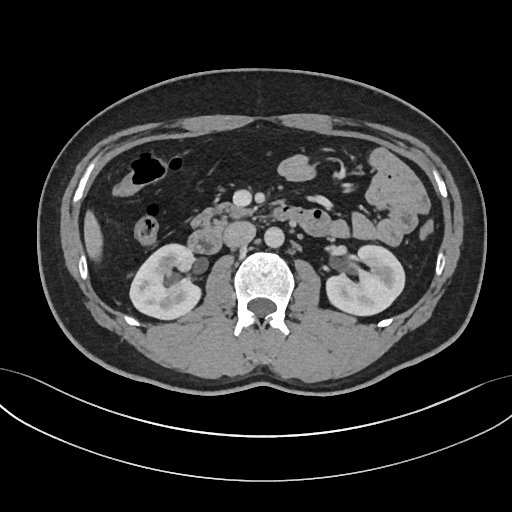

CT, abdomen/pelvis; axial plane, index 163; 512x512 px
One row per box, in pixels: columns x1 and y1 give the top-left corner, x2 and y2 the bottom-right.
| organ | x1 | y1 | x2 | y2 |
|---|---|---|---|---|
| right kidney | 130 | 244 | 200 | 319 |
| duodenum | 188 | 205 | 329 | 253 |
| left kidney | 326 | 245 | 404 | 315 |
| liver | 84 | 210 | 102 | 260 |
| pancreas | 190 | 203 | 253 | 229 |
| aorta | 264 | 227 | 284 | 248 |
| inferior vena cava | 223 | 221 | 255 | 247 |